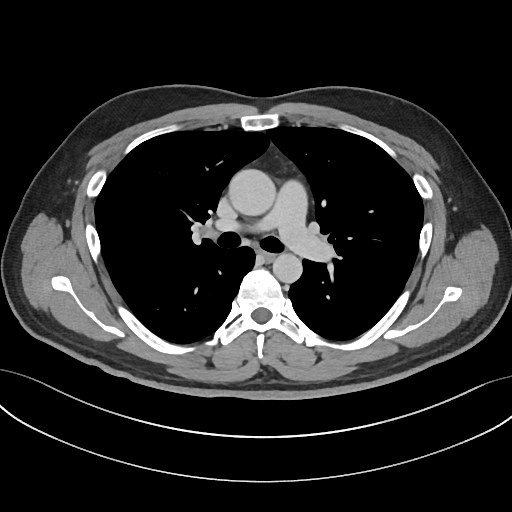 Chest-level slice from an abdominal CT that extends up into the chest; axial plane, index 286; soft-tissue window
At this level of the chest this dataset labels only the esophagus and the aorta, and each is boxed only where it is labeled; the heart and lungs are never labeled.
<organs><organ name="esophagus" x1="262" y1="251" x2="275" y2="260"/><organ name="aorta" x1="228" y1="169" x2="275" y2="215"/><organ name="aorta" x1="272" y1="253" x2="302" y2="283"/></organs>